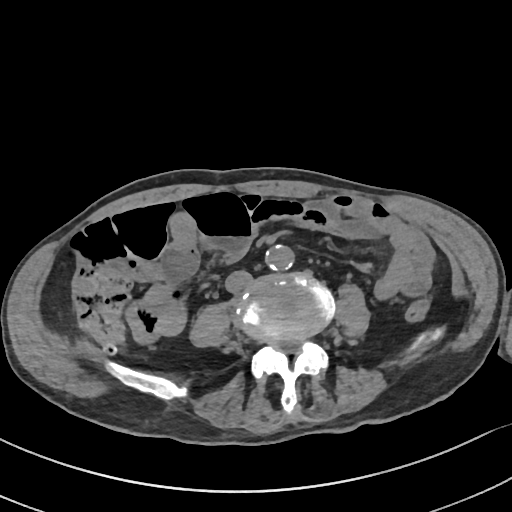

CT, abdomen/pelvis · axial view · abdomen soft-tissue window
Boxes: x1:y1:x2:y2 in pixels.
aorta: 264:245:292:270
inferior vena cava: 225:270:252:293